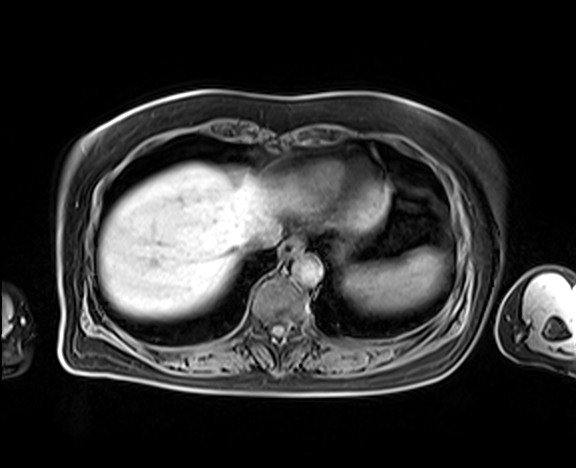
Abdominal MRI · axial plane, index 52 · 576x468 px · scan has 12 labeled organs (counted over the whole 3D scan, not this slice; an organ is boxed only where this slice passes through it)
{"organs":{"inferior vena cava":[242,230,279,251],"aorta":[292,257,322,286],"esophagus":[281,239,301,258],"liver":[99,163,388,316],"spleen":[344,248,443,311],"stomach":[338,245,345,254]}}